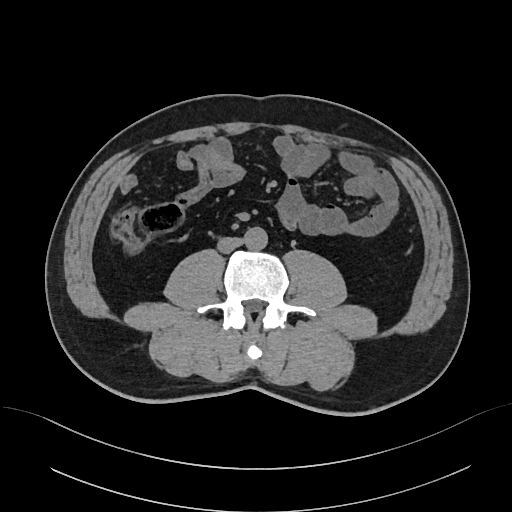
Computed tomography, abdomen. axial view
One row per box, in pixels: columns x1 and y1 give the top-left corner, x2 and y2 the bottom-right.
| organ | x1 | y1 | x2 | y2 |
|---|---|---|---|---|
| inferior vena cava | 217 | 237 | 243 | 253 |
| aorta | 244 | 227 | 267 | 249 |